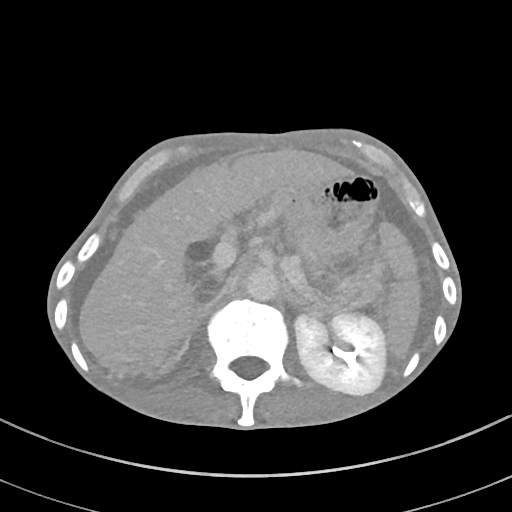
CT abdomen; axial view; 512x512 px
<organs><organ name="spleen" x1="380" y1="223" x2="420" y2="358"/><organ name="liver" x1="80" y1="149" x2="350" y2="359"/><organ name="left adrenal gland" x1="289" y1="294" x2="307" y2="307"/><organ name="right adrenal gland" x1="172" y1="310" x2="202" y2="361"/><organ name="stomach" x1="275" y1="186" x2="378" y2="257"/><organ name="aorta" x1="245" y1="268" x2="279" y2="301"/><organ name="pancreas" x1="281" y1="256" x2="380" y2="310"/><organ name="left kidney" x1="294" y1="313" x2="386" y2="395"/></organs>